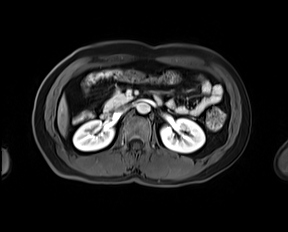 Abdominal MRI; axial plane, index 20; 288x232 px
{"organs":{"right kidney":[73,120,114,151],"left kidney":[160,118,205,153],"liver":[57,96,68,135],"aorta":[136,102,150,113],"inferior vena cava":[115,106,129,115],"pancreas":[104,91,131,110],"duodenum":[100,95,161,118]}}